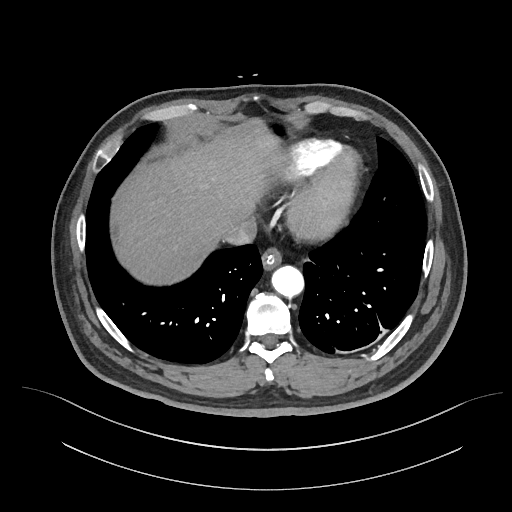 CT abdomen. axial view. soft-tissue window (W 400 / L 40)
Each box given as x1,y1,x2,y2. The annotated organs in this slice are: esophagus at x1=262, y1=245, x2=282, y2=268, liver at x1=110, y1=120, x2=284, y2=285, stomach at x1=263, y1=119, x2=291, y2=138, aorta at x1=271, y1=265, x2=303, y2=295, inferior vena cava at x1=223, y1=222, x2=257, y2=246.